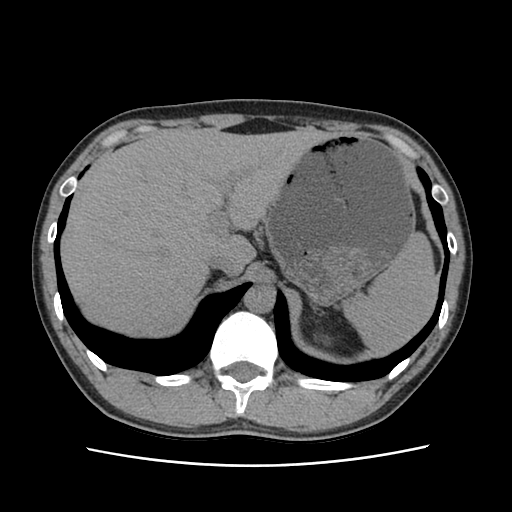 Abdominal CT. axial plane, index 140. 512x512 px. SOMATOM Force scanner
Bounding boxes as [x1, y1, x2, y2] in pixel coordinates.
Organ bounding boxes:
- spleen: [343, 232, 438, 353]
- liver: [61, 130, 328, 335]
- stomach: [264, 133, 415, 305]
- aorta: [243, 284, 275, 313]
- inferior vena cava: [206, 248, 242, 275]